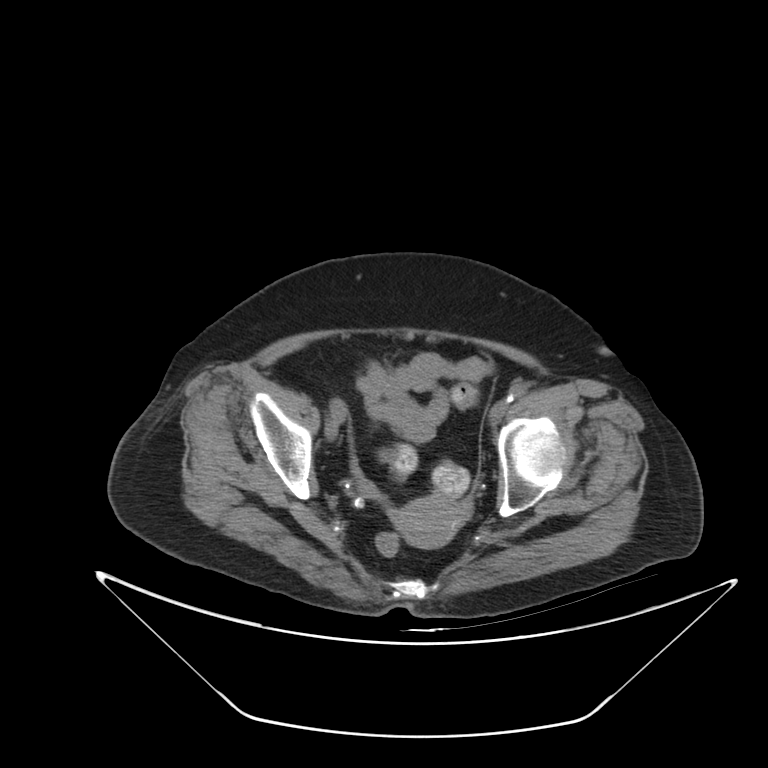 CT, abdomen/pelvis; axial plane, index 20
Boxes: x1 y1 x2 y2 (pixel coords, space-separated). The annotated organs in this slice are: prostate/uterus at 392 495 462 548.